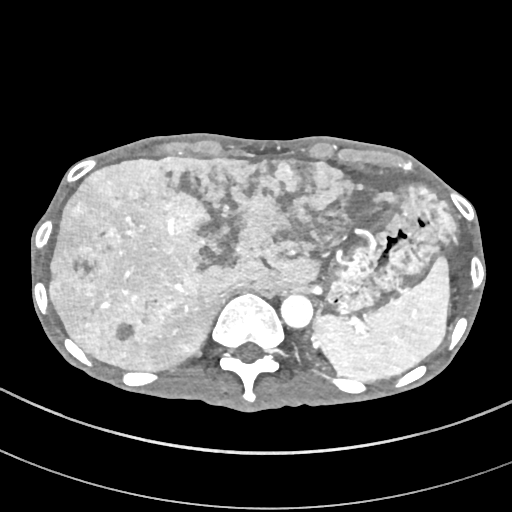 CT abdomen — axial view — scan has 15 labeled organs (counted over the whole 3D scan, not this slice; an organ is boxed only where this slice passes through it)
<organs><organ name="spleen" x1="312" y1="257" x2="449" y2="380"/><organ name="liver" x1="49" y1="155" x2="396" y2="370"/><organ name="stomach" x1="327" y1="185" x2="458" y2="315"/><organ name="aorta" x1="281" y1="295" x2="313" y2="328"/><organ name="inferior vena cava" x1="221" y1="280" x2="250" y2="298"/></organs>